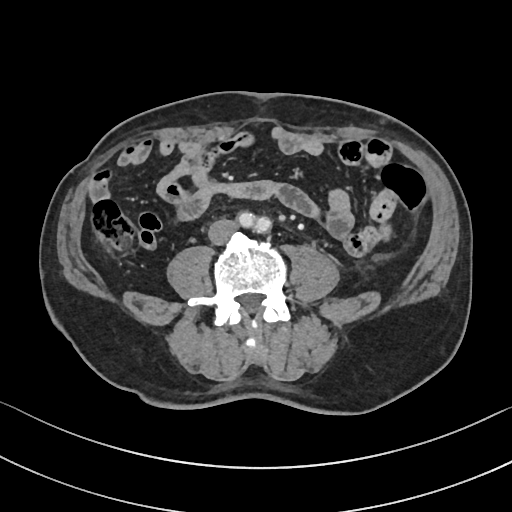
Computed tomography, abdomen — axial view
Box edges are left/top/right/bottom in pixels. Labeled organs on this slice: inferior vena cava at left=208, top=219, right=235, bottom=244.